Abdominal CT reaching into the chest; this slice is in the chest; axial view; W/L 400/40 HU; 512x512 px; 54-year-old male patient
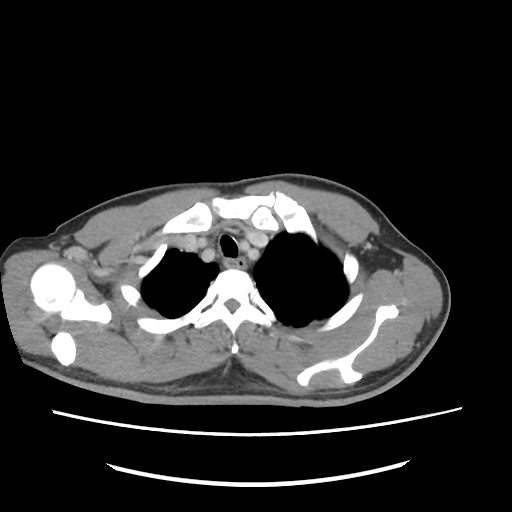 At this level of the chest no structure but the esophagus and the aorta has a label in this dataset, and those two are boxed only where they are labeled. Box edges are left/top/right/bottom in pixels. The annotated organs in this slice are: esophagus at left=224, top=258, right=244, bottom=270.